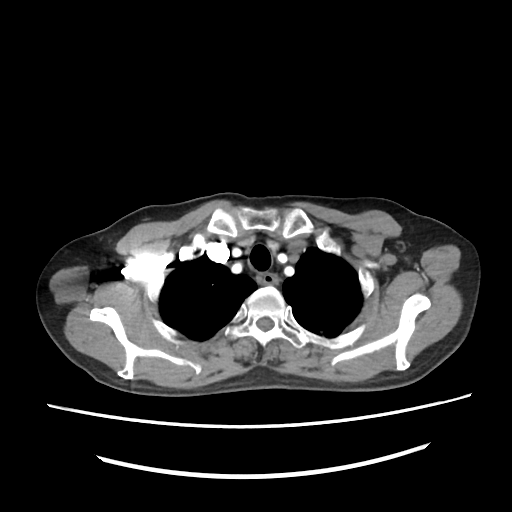

Abdominal CT reaching into the chest; this slice is in the chest — axial view
At this level of the chest this dataset labels only the esophagus and the aorta, and each is boxed only where it is labeled; the heart and lungs are never labeled.
{"organs":{"esophagus":[256,273,277,284]}}